MRI, abdomen — axial plane, index 19
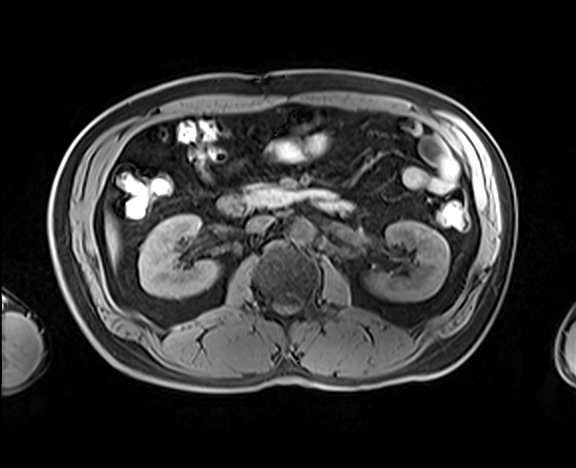 {"organs":{"inferior vena cava":[246,215,274,232],"right kidney":[138,214,219,298],"pancreas":[244,184,331,208],"duodenum":[218,196,353,217],"liver":[105,216,119,264],"aorta":[290,219,315,245],"left kidney":[367,221,449,301]}}